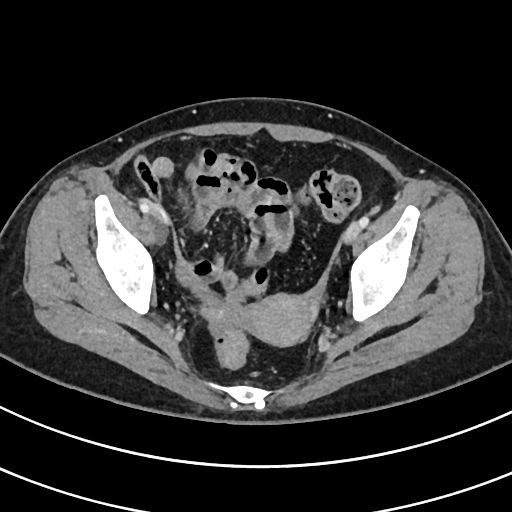 CT, abdomen/pelvis. axial view. 512x512 px. scan has 15 labeled organs (a whole-scan count: organs this slice does not pass through have no box)
Box edges are left/top/right/bottom in pixels. 1 labeled organ on this slice — prostate/uterus at left=241, top=293, right=316, bottom=345.